CT abdomen · axial view · abdomen soft-tissue window · 61-year-old female patient · Aquilion ONE scanner · scan has 14 labeled organs (counted over the whole 3D scan, not this slice; an organ is boxed only where this slice passes through it)
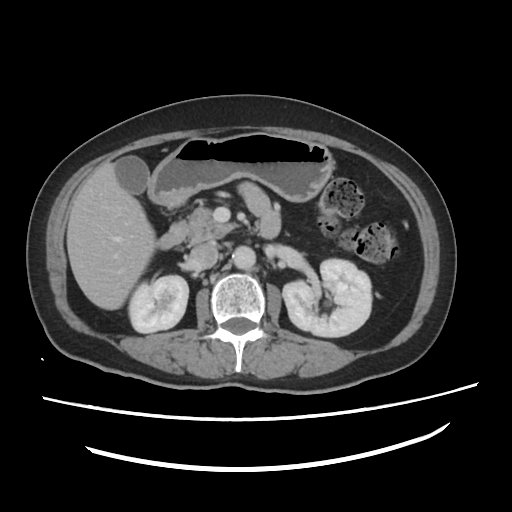

Box edges are left/top/right/bottom in pixels.
Organ bounding boxes:
- right kidney: left=128, top=275, right=188, bottom=333
- left kidney: left=283, top=259, right=371, bottom=337
- gall bladder: left=115, top=154, right=150, bottom=195
- liver: left=67, top=161, right=154, bottom=310
- stomach: left=149, top=133, right=332, bottom=203
- aorta: left=232, top=246, right=256, bottom=268
- inferior vena cava: left=189, top=240, right=217, bottom=268
- pancreas: left=188, top=207, right=234, bottom=237
- duodenum: left=156, top=212, right=281, bottom=250